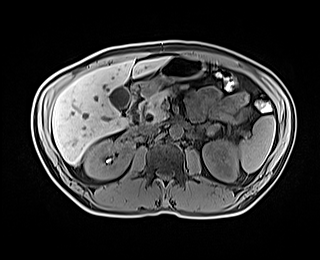

MRI, abdomen · Axial slice 40/72 · 320x260 px · Prisma scanner · 13 organs annotated in this scan (a whole-scan count: organs this slice does not pass through have no box)
Box edges are left/top/right/bottom in pixels.
Organ bounding boxes:
- spleen: left=239, top=115, right=275, bottom=172
- right kidney: left=84, top=139, right=133, bottom=179
- left kidney: left=202, top=140, right=238, bottom=181
- gall bladder: left=109, top=86, right=130, bottom=108
- liver: left=52, top=57, right=170, bottom=165
- stomach: left=129, top=56, right=204, bottom=94
- aorta: left=169, top=124, right=183, bottom=139
- inferior vena cava: left=141, top=124, right=159, bottom=134
- pancreas: left=146, top=86, right=185, bottom=119
- left adrenal gland: left=198, top=122, right=210, bottom=129
- duodenum: left=128, top=93, right=146, bottom=127